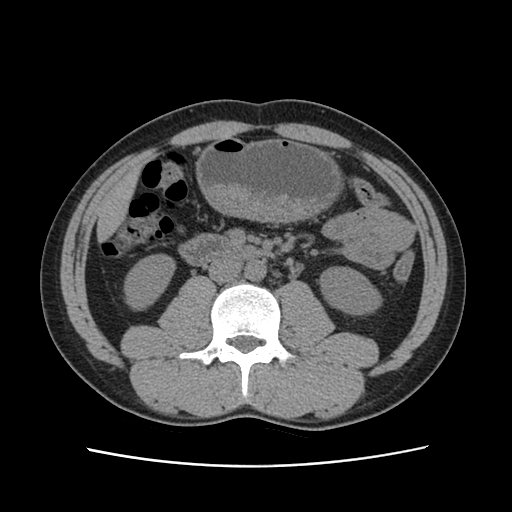 Abdominal CT. axial plane, index 101
{"organs":{"right kidney":[126,257,175,308],"left kidney":[319,266,380,315],"liver":[97,164,142,240],"stomach":[194,137,341,224],"aorta":[244,260,266,281],"inferior vena cava":[208,258,241,283],"duodenum":[177,233,271,265]}}